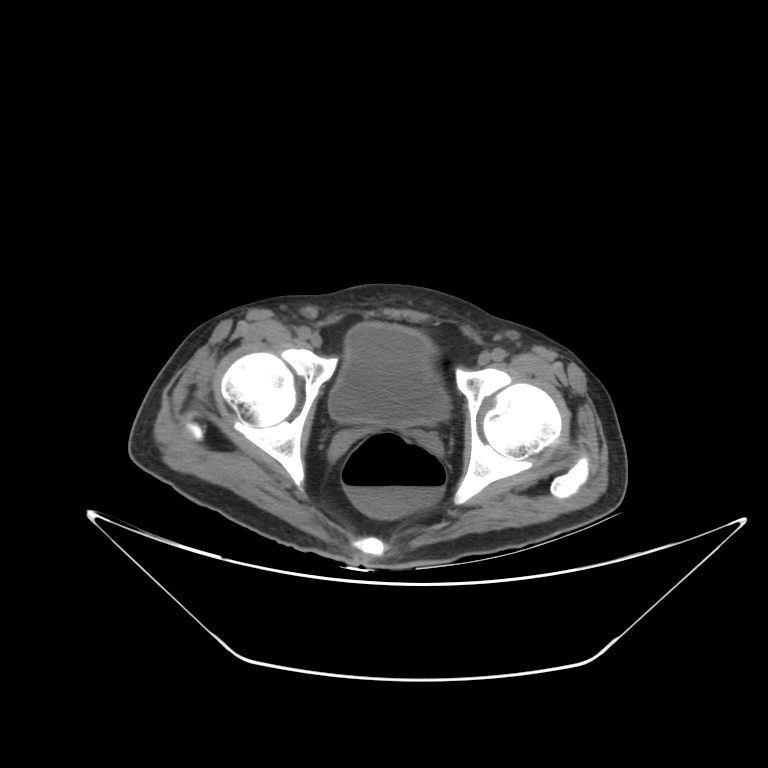

Computed tomography, abdomen · axial view · soft-tissue window (W 400 / L 40) · 768x768 px
Bounding boxes in pixels, one row per box: x1, y1 is the top-left corner and x2, y2 the bottom-right.
| organ | x1 | y1 | x2 | y2 |
|---|---|---|---|---|
| bladder | 328 | 323 | 449 | 425 |